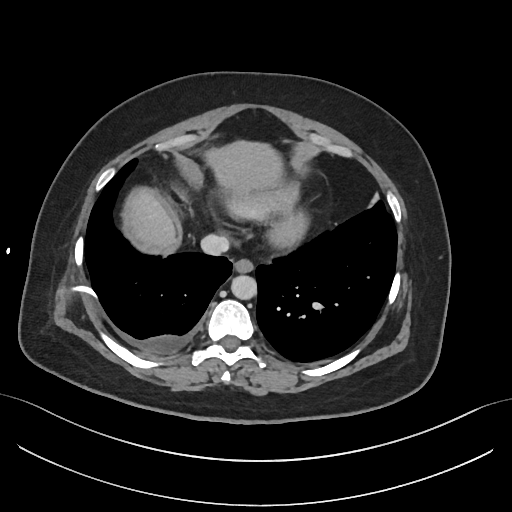

Abdominal CT · axial view · 512x512 px · acquired on SOMATOM Force
Boxes: x1 y1 x2 y2 (pixel coords, space-separated). The annotated organs in this slice are: esophagus at 233 259 253 273, liver at 130 142 282 247, aorta at 231 276 257 300, inferior vena cava at 201 234 229 255.